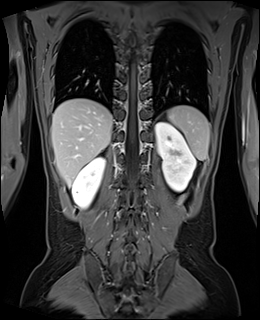

Abdominal MRI — coronal view
One row per box, in pixels: columns x1 and y1 give the top-left corner, x2 and y2 the bottom-right.
| organ | x1 | y1 | x2 | y2 |
|---|---|---|---|---|
| spleen | 168 | 105 | 209 | 160 |
| right kidney | 72 | 157 | 104 | 208 |
| left kidney | 155 | 122 | 196 | 191 |
| liver | 51 | 98 | 113 | 186 |